CT abdomen. axial view. abdomen soft-tissue window
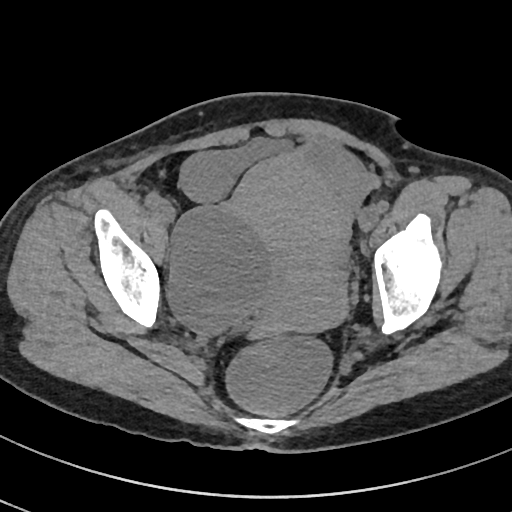
<organs><organ name="prostate/uterus" x1="231" y1="156" x2="354" y2="341"/><organ name="bladder" x1="177" y1="136" x2="290" y2="200"/></organs>